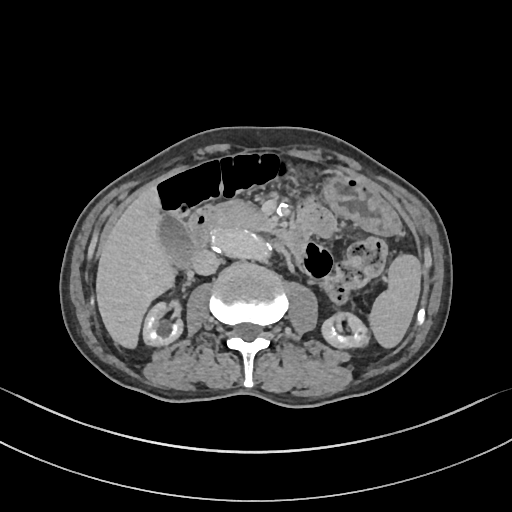
Abdominal CT · axial view · W/L 400/40 HU · 512x512 px · acquired on SOMATOM Force · scan has 15 labeled organs (counted over the whole 3D scan, not this slice; an organ is boxed only where this slice passes through it)
Each box given as x1,y1,x2,y2. Labeled organs on this slice: spleen at x1=368, y1=254, x2=422, y2=349, aorta at x1=207, y1=231, x2=271, y2=260, left kidney at x1=320, y1=312, x2=368, y2=349, inferior vena cava at x1=193, y1=250, x2=219, y2=275, duodenum at x1=188, y1=208, x2=309, y2=253, right kidney at x1=143, y1=301, x2=183, y2=346, stomach at x1=322, y1=172, x2=400, y2=236, liver at x1=95, y1=186, x2=175, y2=348, gall bladder at x1=155, y1=214, x2=194, y2=267, pancreas at x1=212, y1=200, x2=276, y2=230.